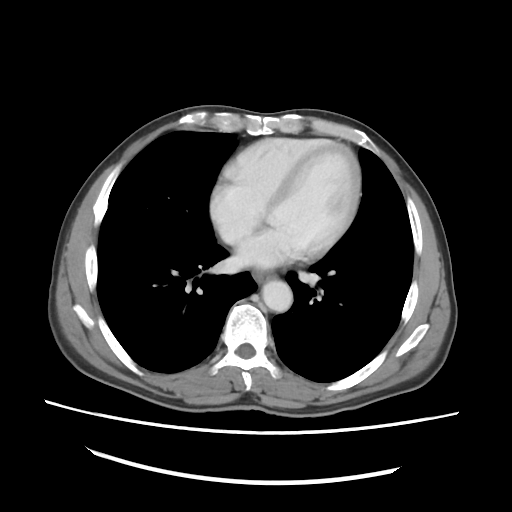
Abdominal CT; this slice is in the lower chest, just above the liver. axial view
No part of the heart or lungs is labeled in this dataset, so neither has a box here.
{"organs":{"esophagus":[253,271,273,282],"aorta":[261,280,292,312]}}